CT abdomen — axial view — acquired on SOMATOM Force — scan has 15 labeled organs (a whole-scan count: organs this slice does not pass through have no box)
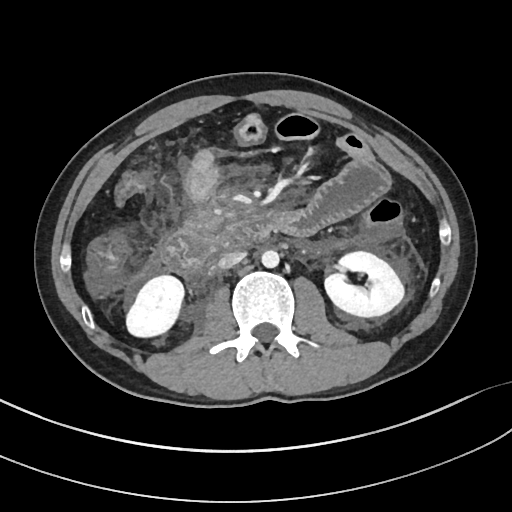
{"organs":{"right kidney":[126,276,182,336],"left kidney":[325,250,403,316],"aorta":[261,249,278,268],"inferior vena cava":[218,251,245,268],"pancreas":[185,213,223,234],"duodenum":[164,217,267,277]}}